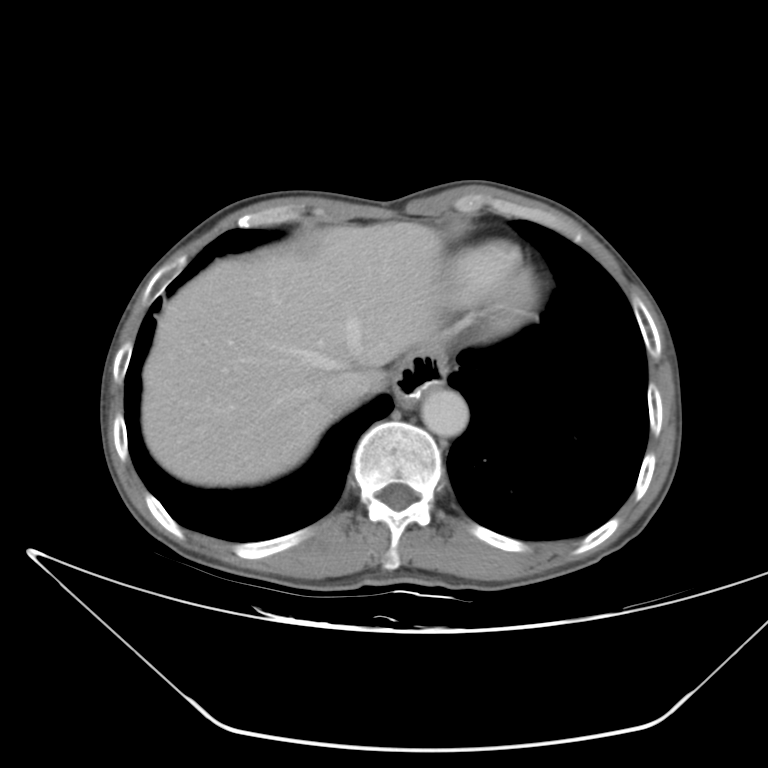

Computed tomography, abdomen · axial plane, index 52
Organ boxes in pixel coordinates; each row gives the top-left (x1, y1) and bottom-right (x2, y2) corners.
| organ | x1 | y1 | x2 | y2 |
|---|---|---|---|---|
| liver | 141 | 223 | 444 | 487 |
| stomach | 393 | 345 | 447 | 408 |
| aorta | 421 | 385 | 468 | 437 |
| inferior vena cava | 322 | 372 | 367 | 414 |